CT abdomen · axial view
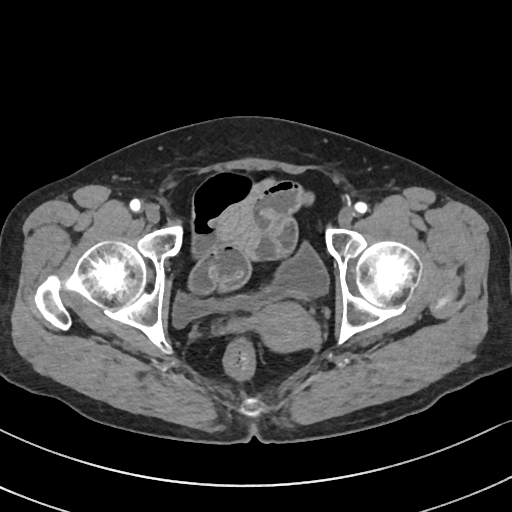 Boxes are (x1, y1, x2, y2) in pixels.
bladder: (172, 245, 329, 327)
prostate/uterus: (253, 302, 318, 351)